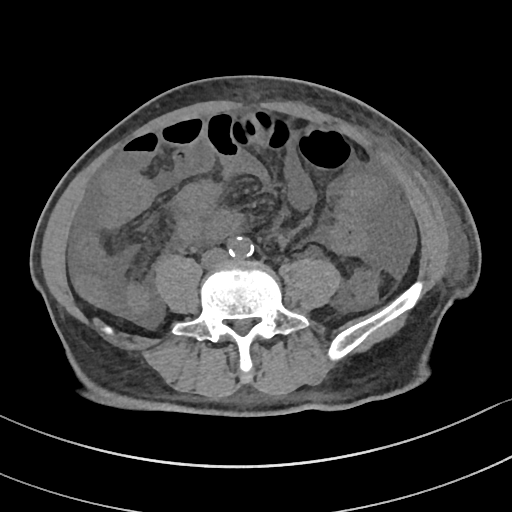
Abdominal CT. axial plane, index 80. 512x512 px
{"organs":{"inferior vena cava":[202,248,227,266],"aorta":[229,236,253,258]}}